Abdominal CT reaching into the chest; this slice is in the chest — axial view — soft-tissue window — 48-year-old female patient — scan has 15 labeled organs (that count is for the whole scan; organs this slice misses have no box)
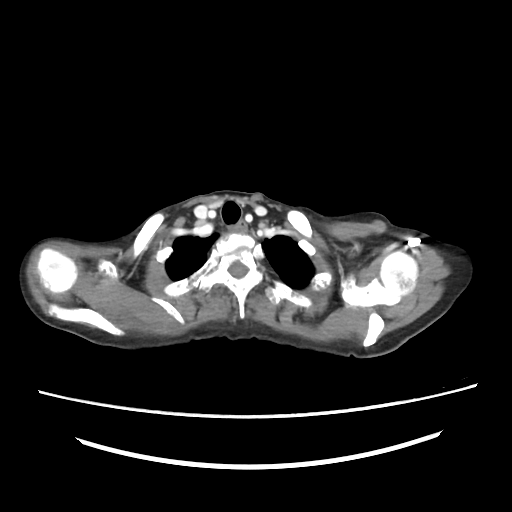
At this level of the chest this dataset labels only the esophagus and the aorta, and each is boxed only where it is labeled; the heart and lungs are never labeled.
One row per box, in pixels: columns x1 and y1 give the top-left corner, x2 and y2 the bottom-right.
| organ | x1 | y1 | x2 | y2 |
|---|---|---|---|---|
| esophagus | 237 | 219 | 246 | 233 |